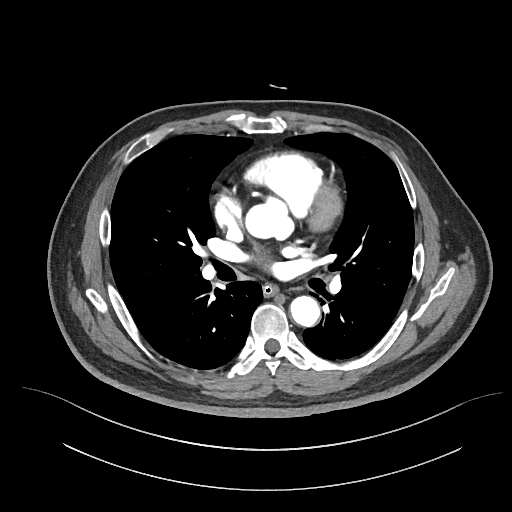 CT of the abdomen extending into the chest, slice through the chest — axial view — soft-tissue window — 512x512 px
At this level of the chest no structure but the esophagus and the aorta has a label in this dataset, and those two are boxed only where they are labeled.
One row per box, in pixels: columns x1 and y1 give the top-left corner, x2 and y2 the bottom-right.
| organ | x1 | y1 | x2 | y2 |
|---|---|---|---|---|
| aorta | 245 | 203 | 285 | 238 |
| aorta | 290 | 296 | 320 | 326 |
| esophagus | 263 | 284 | 278 | 296 |